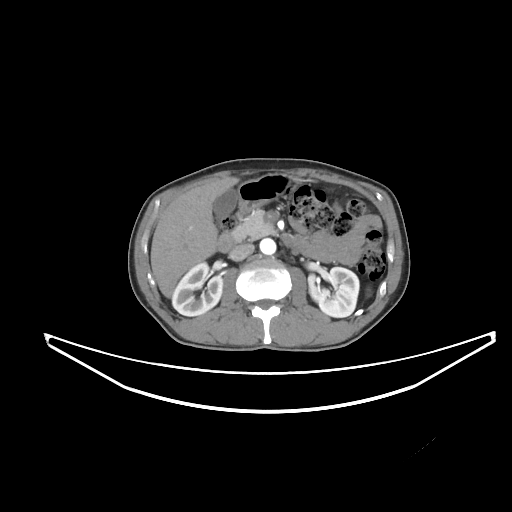

CT abdomen; axial view; soft-tissue window; 52-year-old male patient
<organs><organ name="right kidney" x1="172" y1="262" x2="222" y2="316"/><organ name="left kidney" x1="309" y1="267" x2="359" y2="317"/><organ name="gall bladder" x1="213" y1="188" x2="237" y2="218"/><organ name="liver" x1="150" y1="177" x2="239" y2="297"/><organ name="stomach" x1="237" y1="173" x2="293" y2="209"/><organ name="aorta" x1="259" y1="238" x2="276" y2="254"/><organ name="inferior vena cava" x1="229" y1="243" x2="254" y2="260"/><organ name="pancreas" x1="232" y1="210" x2="275" y2="241"/><organ name="duodenum" x1="216" y1="208" x2="299" y2="252"/></organs>